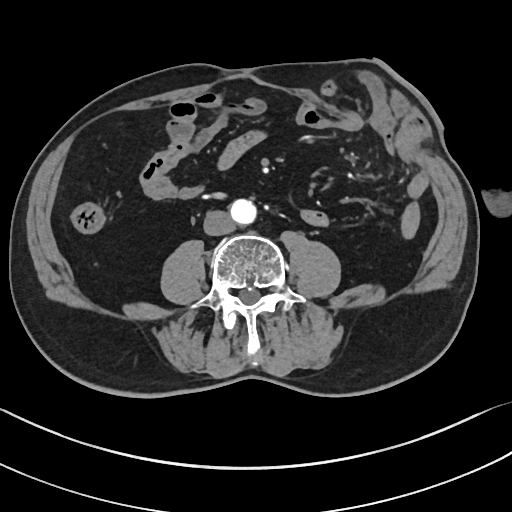

CT, abdomen/pelvis; axial view; soft-tissue window (W 400 / L 40); 512x512 px; scan has 15 labeled organs (counted over the whole 3D scan, not this slice; an organ is boxed only where this slice passes through it)
<organs><organ name="aorta" x1="230" y1="199" x2="256" y2="224"/><organ name="inferior vena cava" x1="203" y1="210" x2="234" y2="235"/></organs>